Abdominal CT reaching into the chest; this slice is in the chest — Axial slice 234/302 — soft-tissue window, W/L 400/40 — 15 organs annotated in this scan (counted over the whole 3D scan, not this slice; an organ is boxed only where this slice passes through it)
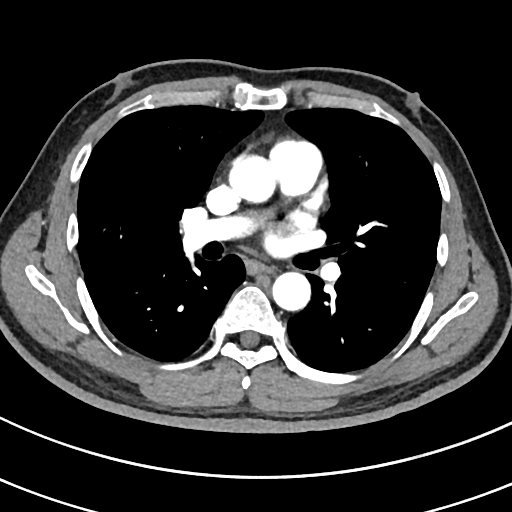

At this level of the chest this dataset labels only the esophagus and the aorta, and each is boxed only where it is labeled; the heart and lungs are never labeled.
Organ boxes in pixel coordinates; each row gives the top-left (x1, y1) and bottom-right (x2, y2) corners.
| organ | x1 | y1 | x2 | y2 |
|---|---|---|---|---|
| esophagus | 250 | 264 | 271 | 272 |
| aorta | 229 | 155 | 276 | 202 |
| aorta | 272 | 271 | 310 | 310 |